Abdominal CT. axial view. soft-tissue window. 512x512 px
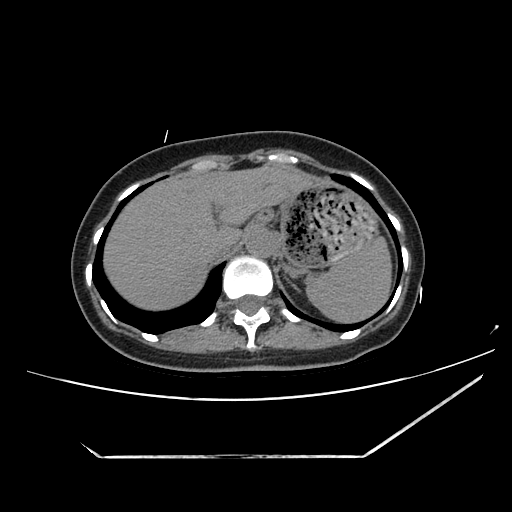
<organs><organ name="aorta" x1="246" y1="229" x2="278" y2="258"/><organ name="spleen" x1="305" y1="237" x2="390" y2="323"/><organ name="left adrenal gland" x1="286" y1="278" x2="297" y2="290"/><organ name="stomach" x1="254" y1="183" x2="374" y2="269"/><organ name="liver" x1="105" y1="165" x2="315" y2="309"/><organ name="inferior vena cava" x1="206" y1="235" x2="239" y2="259"/></organs>